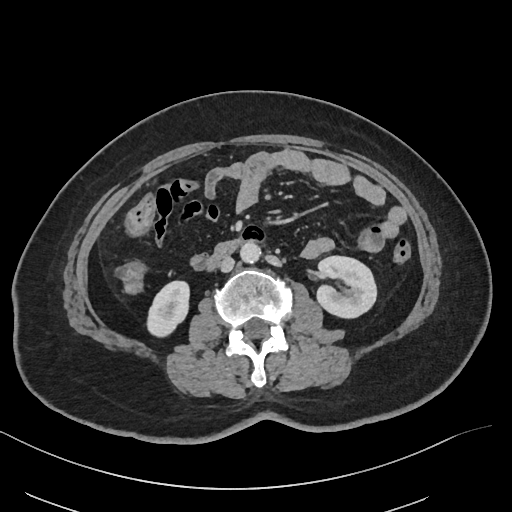
CT abdomen. axial plane, index 137. abdomen soft-tissue window. 512x512 px
Organ boxes in pixel coordinates; each row gives the top-left (x1, y1) and bottom-right (x2, y2) corners.
| organ | x1 | y1 | x2 | y2 |
|---|---|---|---|---|
| left kidney | 317 | 256 | 376 | 318 |
| right kidney | 146 | 280 | 190 | 337 |
| inferior vena cava | 219 | 257 | 234 | 272 |
| duodenum | 205 | 239 | 240 | 272 |
| aorta | 240 | 242 | 260 | 264 |